Computed tomography, abdomen. axial view. soft-tissue window (W 400 / L 40). 512x512 px
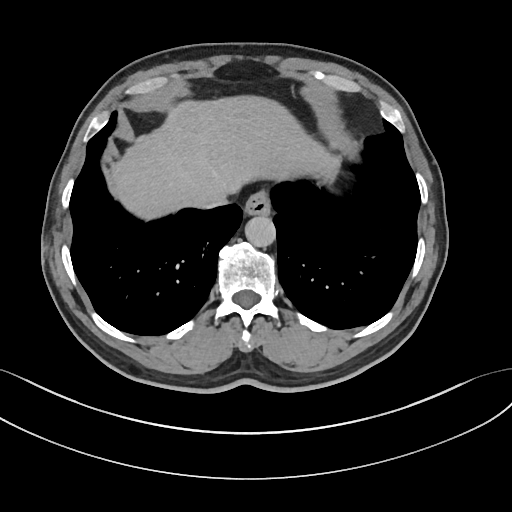 <organs><organ name="esophagus" x1="244" y1="191" x2="270" y2="214"/><organ name="liver" x1="109" y1="95" x2="340" y2="219"/><organ name="aorta" x1="245" y1="215" x2="275" y2="246"/><organ name="inferior vena cava" x1="197" y1="188" x2="228" y2="208"/></organs>